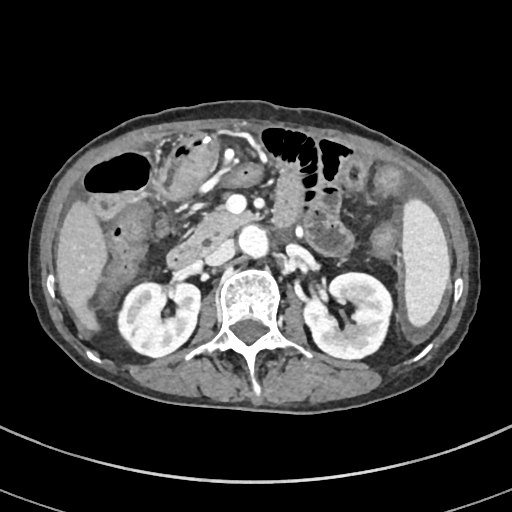 CT, abdomen/pelvis. axial plane, index 122. 512x512 px
Organ boxes in pixel coordinates; each row gives the top-left (x1, y1) and bottom-right (x2, y2) corners.
| organ | x1 | y1 | x2 | y2 |
|---|---|---|---|---|
| spleen | 402 | 200 | 450 | 326 |
| right kidney | 119 | 281 | 199 | 356 |
| left kidney | 304 | 272 | 393 | 359 |
| liver | 56 | 203 | 105 | 329 |
| aorta | 238 | 225 | 268 | 256 |
| inferior vena cava | 206 | 239 | 233 | 265 |
| pancreas | 188 | 212 | 254 | 244 |
| duodenum | 167 | 226 | 289 | 268 |